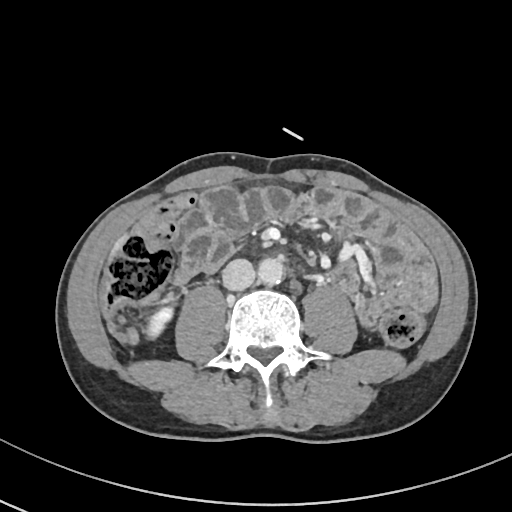 CT, abdomen/pelvis · axial view · abdomen soft-tissue window · 512x512 px
{"organs":{"right kidney":[144,306,174,340],"liver":[108,232,129,260],"aorta":[258,258,285,285],"inferior vena cava":[222,258,255,290]}}